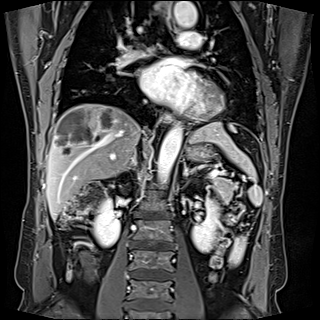

MRI, abdomen. Coronal slice 25/60. scan has 13 labeled organs (that count is for the whole scan; organs this slice misses have no box)
Bounding boxes as [x1, y1, x2, y2] in pixel coordinates.
spleen: [191, 122, 262, 206]
right kidney: [94, 172, 130, 246]
left kidney: [192, 199, 222, 252]
esophagus: [163, 11, 175, 30]
esophagus: [163, 112, 172, 123]
liver: [46, 104, 236, 220]
stomach: [187, 144, 213, 160]
aorta: [157, 124, 182, 184]
aorta: [174, 1, 197, 27]
pancreas: [212, 177, 236, 202]
right adrenal gland: [125, 156, 136, 171]
left adrenal gland: [183, 159, 191, 177]